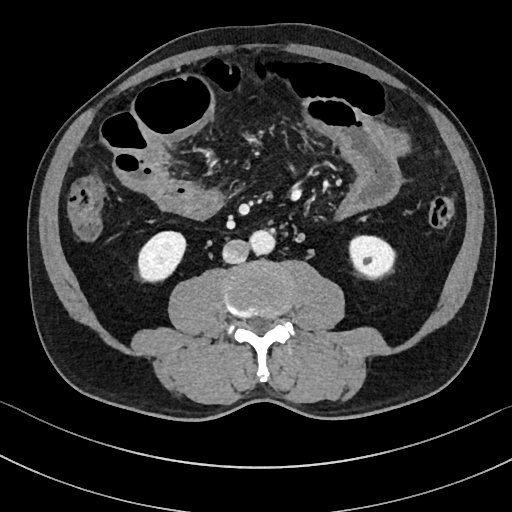
Abdominal CT. Axial slice 115/232. soft-tissue window. 512x512 px
Boxes: x1:y1:x2:y2 in pixels.
right kidney: 139:232:185:281
left kidney: 350:235:394:276
aorta: 248:230:274:254
inferior vena cava: 221:239:248:263